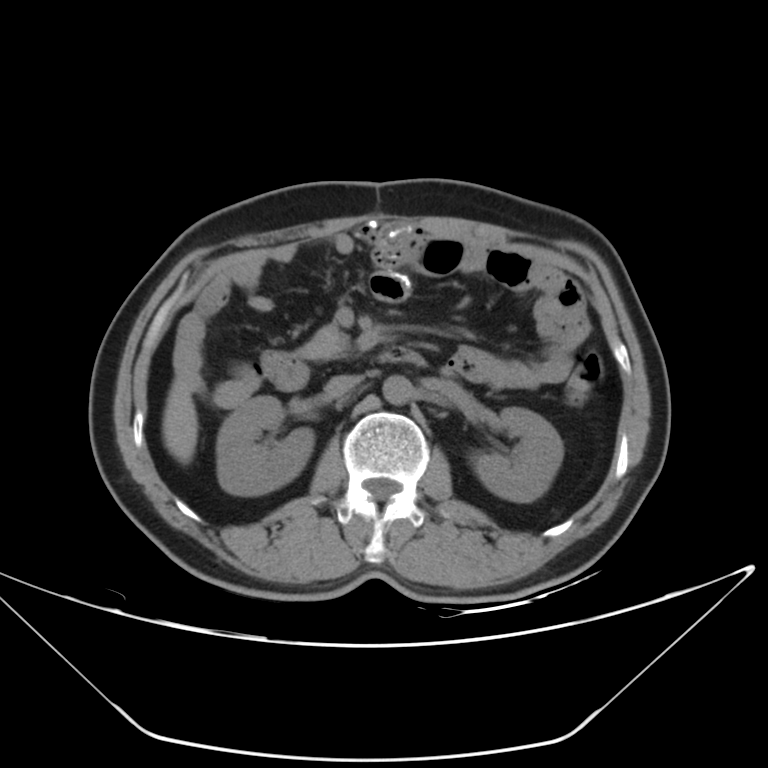 Computed tomography, abdomen. axial view. 768x768 px. 50-year-old male patient
One row per box, in pixels: columns x1 and y1 give the top-left corner, x2 and y2 the bottom-right.
| organ | x1 | y1 | x2 | y2 |
|---|---|---|---|---|
| right kidney | 216 | 396 | 314 | 495 |
| left kidney | 471 | 407 | 563 | 502 |
| liver | 162 | 374 | 198 | 463 |
| aorta | 383 | 375 | 412 | 404 |
| inferior vena cava | 325 | 375 | 362 | 397 |
| pancreas | 299 | 326 | 349 | 359 |
| duodenum | 262 | 347 | 425 | 390 |